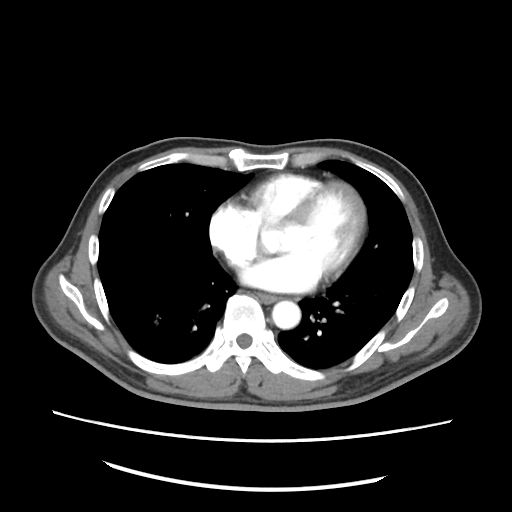
Abdominal CT; this slice is in the lower chest, just above the liver. Axial slice 98/98
No part of the heart or lungs is labeled in this dataset, so neither has a box here.
{"organs":{"esophagus":[258,295,276,304],"aorta":[271,301,300,328]}}